Computed tomography, abdomen · axial view · 512x512 px
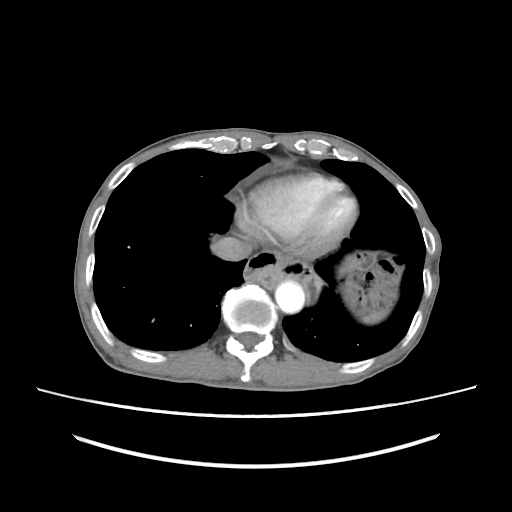 Box edges are left/top/right/bottom in pixels.
Organ bounding boxes:
- spleen: left=358, top=304, right=389, bottom=323
- aorta: left=275, top=281, right=305, bottom=313
- inferior vena cava: left=211, top=237, right=252, bottom=261